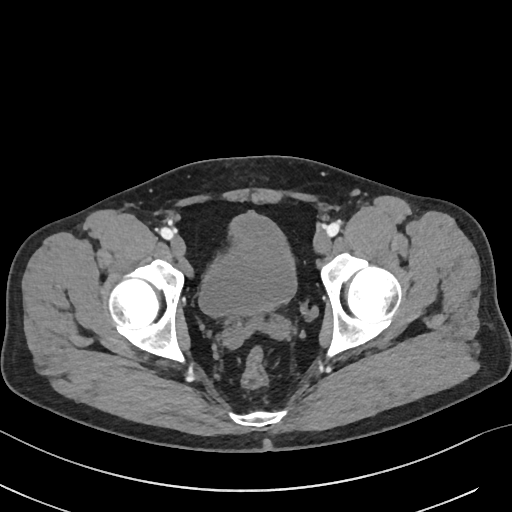
Computed tomography, abdomen — Axial slice 41/307 — 512x512 px — SOMATOM Force scanner
Box edges are left/top/right/bottom in pixels. 1 labeled organ on this slice — bladder at left=200, top=213, right=295, bottom=317.